Abdominal MR · Coronal slice 17/60
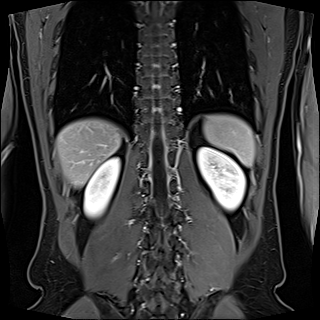

Coordinates as <box>x1,y1,x2,y2</box> in pixels. Labeled organs on this slice: liver at <box>57,119,121,187</box>, left kidney at <box>197,147,245,210</box>, spleen at <box>203,114,254,166</box>, right kidney at <box>84,157,119,217</box>.